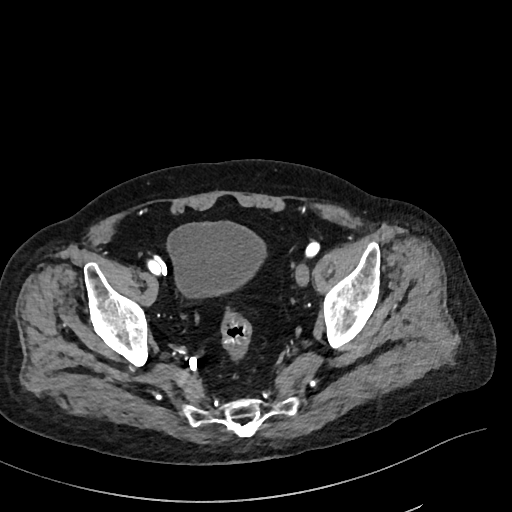
Abdominal CT — Axial slice 54/235 — 512x512 px
Each box given as x1,y1,x2,y2.
Organ bounding boxes:
- bladder: x1=167, y1=221, x2=265, y2=297